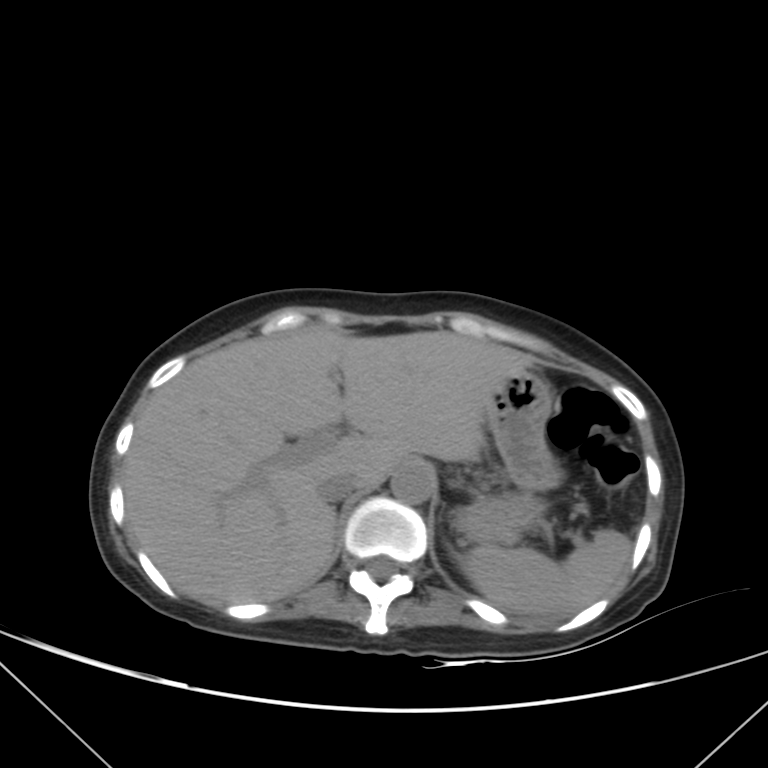

CT abdomen — axial plane, index 73 — soft-tissue window — 768x768 px — 39-year-old female patient
Bounding boxes in pixels, one row per box: x1, y1 is the top-left corner and x2, y2 the bottom-right.
| organ | x1 | y1 | x2 | y2 |
|---|---|---|---|---|
| spleen | 458 | 529 | 632 | 616 |
| liver | 122 | 325 | 532 | 603 |
| stomach | 455 | 370 | 558 | 542 |
| aorta | 391 | 462 | 434 | 503 |
| inferior vena cava | 318 | 472 | 359 | 501 |